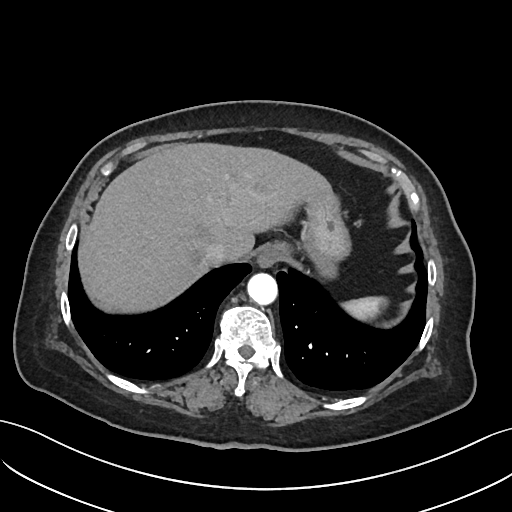

Abdominal CT · Axial slice 167/276 · soft-tissue window (W 400 / L 40) · 512x512 px · scan has 15 labeled organs (a whole-scan count: organs this slice does not pass through have no box)
{"organs":{"spleen":[342,296,387,321],"esophagus":[256,243,287,267],"stomach":[302,194,351,278],"liver":[78,143,332,313],"inferior vena cava":[204,242,232,264],"aorta":[247,273,277,305]}}